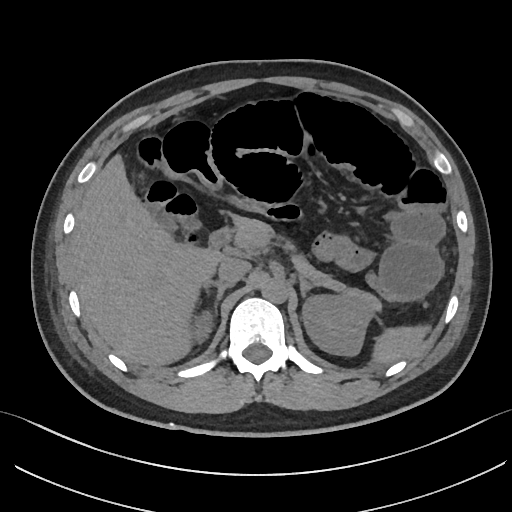

Abdominal CT · axial view · 512x512 px · scan has 15 labeled organs (a whole-scan count: organs this slice does not pass through have no box)
Box edges are left/top/right/bottom in pixels.
Organ bounding boxes:
- spleen: left=373, top=326, right=429, bottom=364
- right kidney: left=194, top=312, right=211, bottom=337
- left kidney: left=303, top=296, right=369, bottom=355
- liver: left=69, top=153, right=226, bottom=365
- aorta: left=261, top=278, right=288, bottom=304
- inferior vena cava: left=218, top=258, right=249, bottom=284
- pancreas: left=234, top=217, right=382, bottom=313
- right adrenal gland: left=204, top=281, right=234, bottom=313
- left adrenal gland: left=299, top=279, right=314, bottom=302
- duodenum: left=209, top=226, right=232, bottom=248